CT, abdomen/pelvis · Axial slice 56/306 · abdomen soft-tissue window
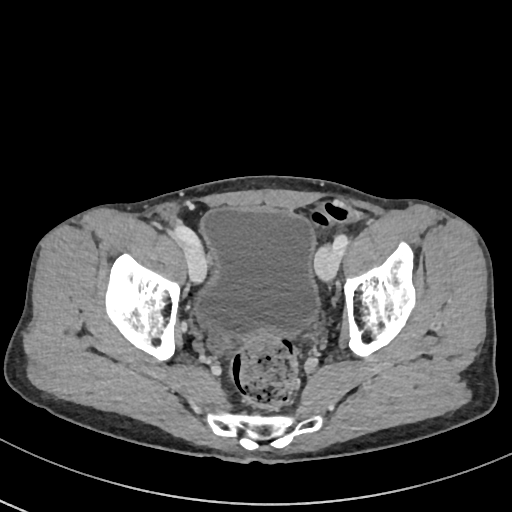

Each box given as x1,y1,x2,y2. The annotated organs in this slice are: bladder at x1=197, y1=207, x2=317, y2=336.